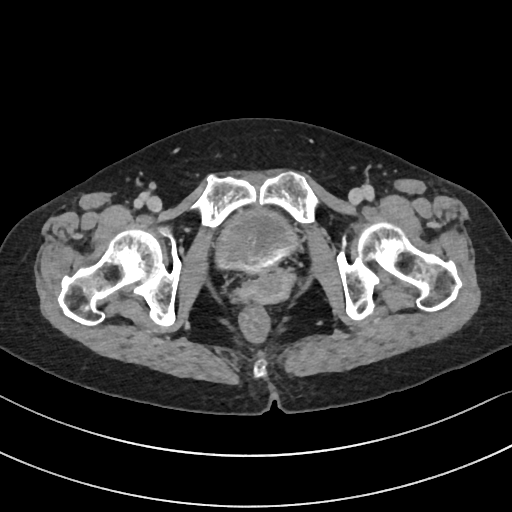 Computed tomography, abdomen · axial view · scan has 15 labeled organs (counted over the whole 3D scan, not this slice; an organ is boxed only where this slice passes through it)
Coordinates as <box>x1,y1,x2,y2</box> in pixels. Labeled organs on this slice: bladder at <box>214,206,298,272</box>, prostate/uterus at <box>242,268,295,305</box>.